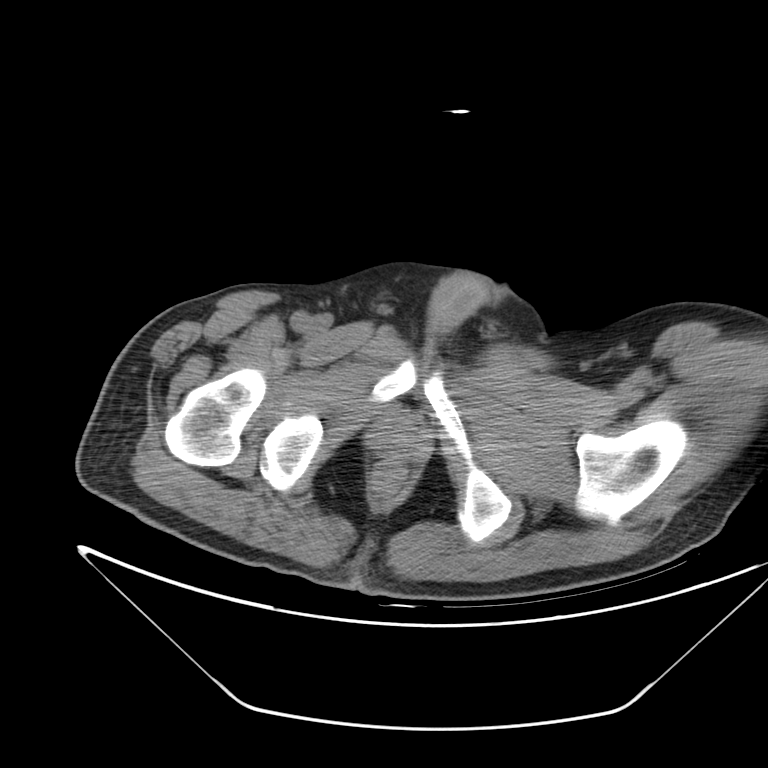

Computed tomography, abdomen — axial view — soft-tissue window (W 400 / L 40) — 768x768 px — 47-year-old male patient
Each box given as x1,y1,x2,y2.
Organ bounding boxes:
- prostate/uterus: x1=382, y1=421, x2=415, y2=448